Computed tomography, abdomen. axial plane, index 159
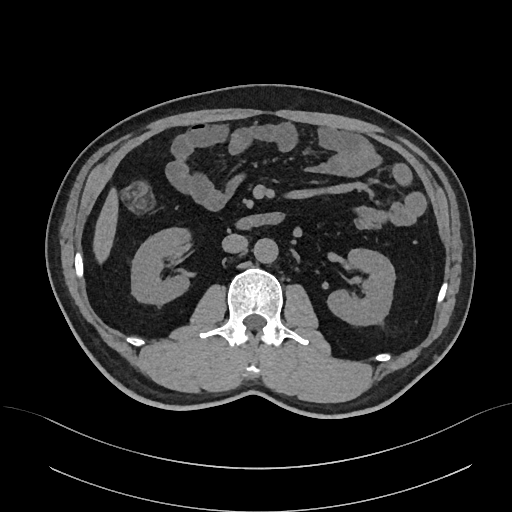
<organs><organ name="left kidney" x1="328" y1="248" x2="395" y2="323"/><organ name="inferior vena cava" x1="222" y1="233" x2="247" y2="253"/><organ name="duodenum" x1="240" y1="213" x2="281" y2="227"/><organ name="liver" x1="94" y1="192" x2="116" y2="258"/><organ name="right kidney" x1="131" y1="227" x2="189" y2="302"/><organ name="aorta" x1="253" y1="237" x2="277" y2="262"/></organs>